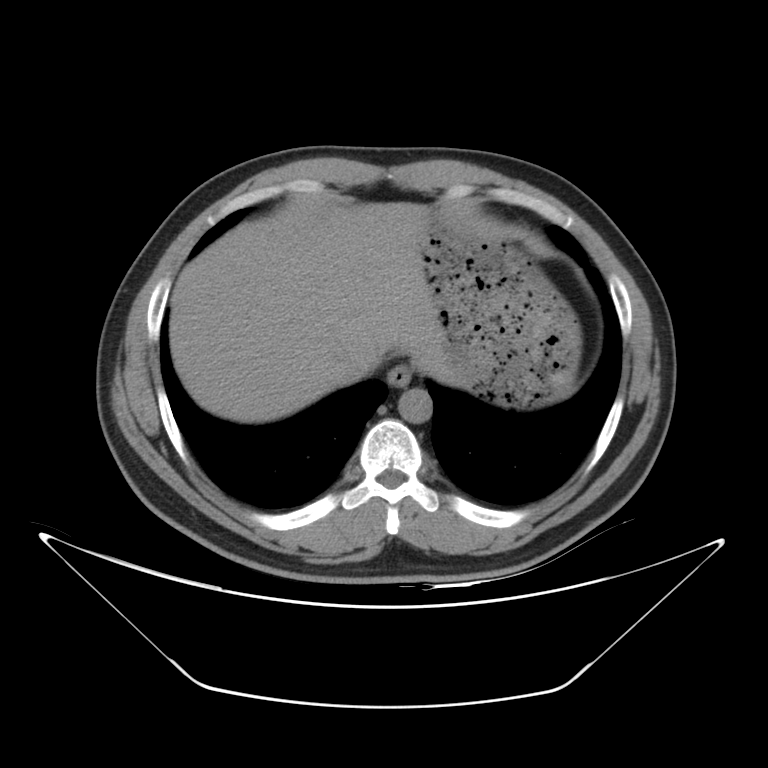

CT abdomen. axial plane, index 95. 768x768 px
Coordinates as <box>x1,y1,x2,y2</box> in pixels.
esophagus: <box>387,364,411,386</box>
liver: <box>169,202,456,422</box>
stomach: <box>418,206,580,407</box>
aorta: <box>398,389,431,422</box>
inferior vena cava: <box>336,349,380,382</box>